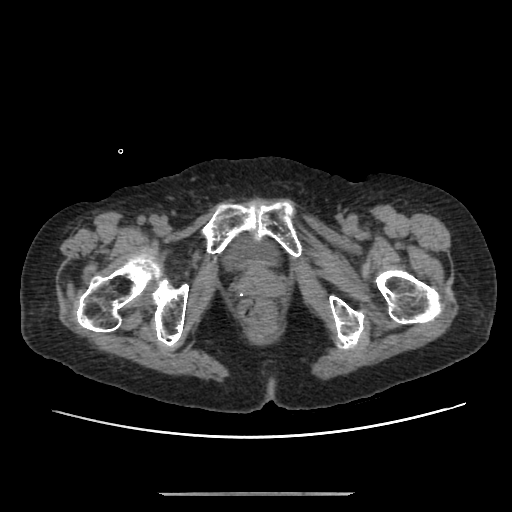

CT, abdomen/pelvis — axial view — abdomen soft-tissue window — acquired on SOMATOM Force — scan has 14 labeled organs (that count is for the whole scan; organs this slice misses have no box)
Bounding boxes as [x1, y1, x2, y2] in pixel coordinates. Labeled organs on this slice: bladder at [231, 239, 277, 269].